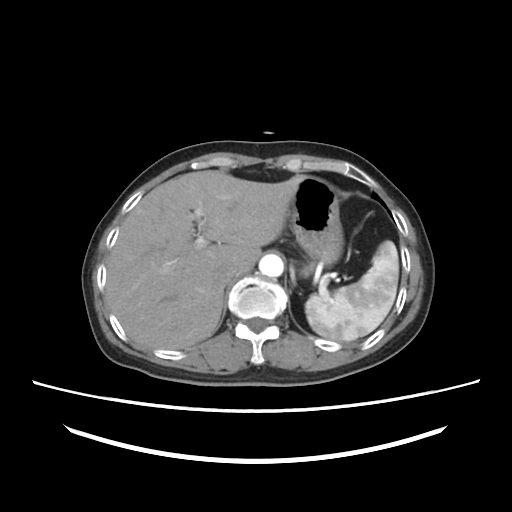

CT, abdomen/pelvis. axial plane, index 76. soft-tissue window (W 400 / L 40). 512x512 px. 15 organs annotated in this scan (a whole-scan count: organs this slice does not pass through have no box)
<organs><organ name="spleen" x1="305" y1="240" x2="398" y2="341"/><organ name="liver" x1="106" y1="170" x2="302" y2="349"/><organ name="stomach" x1="289" y1="176" x2="343" y2="273"/><organ name="aorta" x1="259" y1="254" x2="283" y2="277"/><organ name="inferior vena cava" x1="215" y1="265" x2="237" y2="284"/></organs>